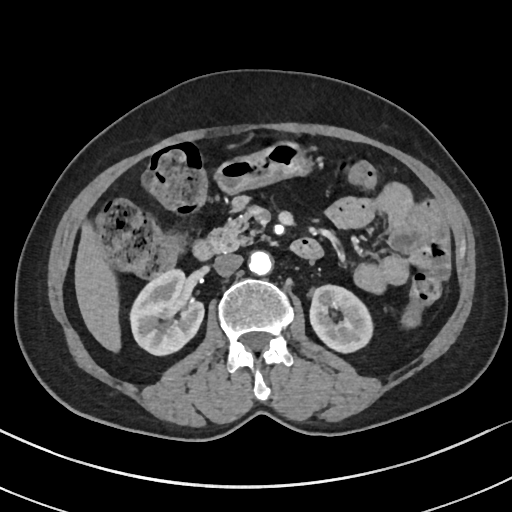

CT, abdomen/pelvis; axial view; W/L 400/40 HU; 15 organs annotated in this scan (that count is for the whole scan; organs this slice misses have no box)
Boxes are (x1, y1, x2, y2) in pixels. The annotated organs in this slice are: right kidney at (130, 269, 204, 355), left kidney at (310, 285, 372, 352), liver at (75, 221, 120, 352), stomach at (215, 141, 312, 194), aorta at (249, 251, 272, 275), inferior vena cava at (214, 254, 242, 276), pancreas at (210, 198, 259, 250), duodenum at (193, 237, 323, 260).